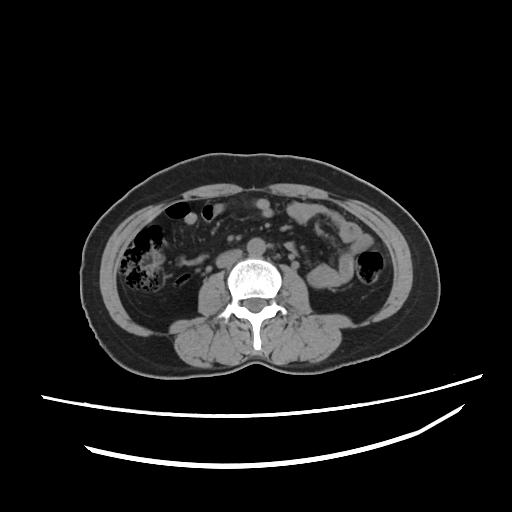 Abdominal CT — axial view — abdomen soft-tissue window — 512x512 px — 43-year-old female patient — scan has 15 labeled organs (counted over the whole 3D scan, not this slice; an organ is boxed only where this slice passes through it)
Box edges are left/top/right/bottom in pixels. The annotated organs in this slice are: aorta at left=246, top=237, right=265, bottom=256, inferior vena cava at left=214, top=250, right=239, bottom=269.